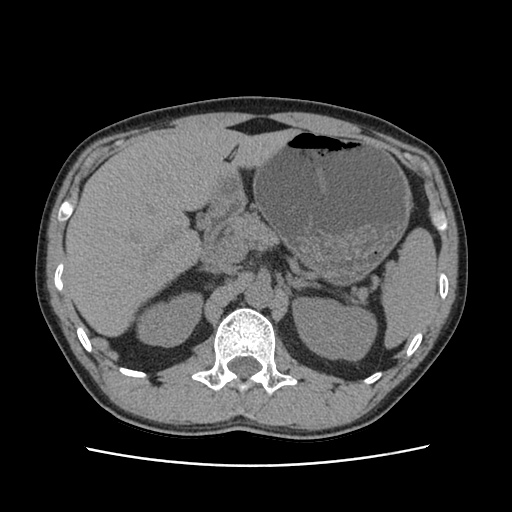
Computed tomography, abdomen · axial plane, index 131
<organs><organ name="spleen" x1="383" y1="230" x2="437" y2="349"/><organ name="right kidney" x1="138" y1="295" x2="200" y2="346"/><organ name="left kidney" x1="293" y1="297" x2="376" y2="361"/><organ name="liver" x1="64" y1="128" x2="301" y2="337"/><organ name="stomach" x1="212" y1="131" x2="412" y2="287"/><organ name="aorta" x1="244" y1="280" x2="273" y2="309"/><organ name="inferior vena cava" x1="205" y1="254" x2="235" y2="273"/><organ name="pancreas" x1="227" y1="217" x2="273" y2="245"/><organ name="right adrenal gland" x1="196" y1="266" x2="218" y2="272"/><organ name="left adrenal gland" x1="287" y1="275" x2="318" y2="288"/><organ name="duodenum" x1="203" y1="201" x2="243" y2="244"/></organs>